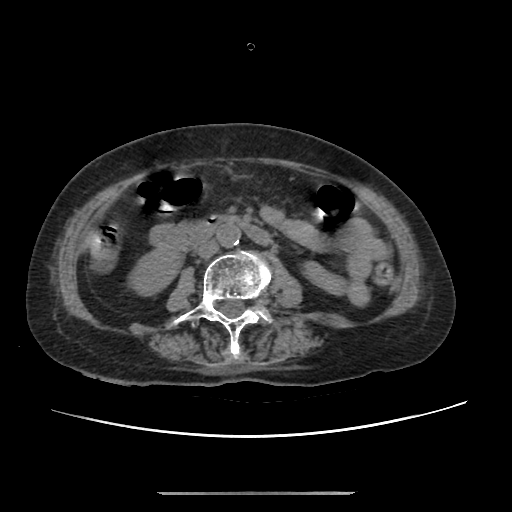 CT, abdomen/pelvis. axial view. 14 organs annotated in this scan (that count is for the whole scan; organs this slice misses have no box)
<organs><organ name="duodenum" x1="153" y1="215" x2="270" y2="249"/><organ name="inferior vena cava" x1="196" y1="240" x2="218" y2="257"/><organ name="right kidney" x1="128" y1="248" x2="182" y2="296"/><organ name="aorta" x1="216" y1="224" x2="240" y2="247"/></organs>